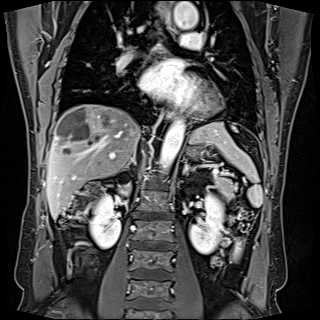

Abdominal MRI — coronal plane, index 23 — percentile-normalized — Prisma scanner
Boxes: x1 y1 x2 y2 (pixel coords, space-separated). Labeled organs on this slice: pancreas at 215 175 236 200, left kidney at 189 195 225 253, aorta at 158 118 184 172, aorta at 174 1 198 28, stomach at 189 147 205 158, liver at 46 104 236 219, right kidney at 90 172 132 248, left adrenal gland at 183 158 190 175, esophagus at 164 11 176 33, esophagus at 165 105 174 119, right adrenal gland at 124 155 135 170, spleen at 190 122 262 207.